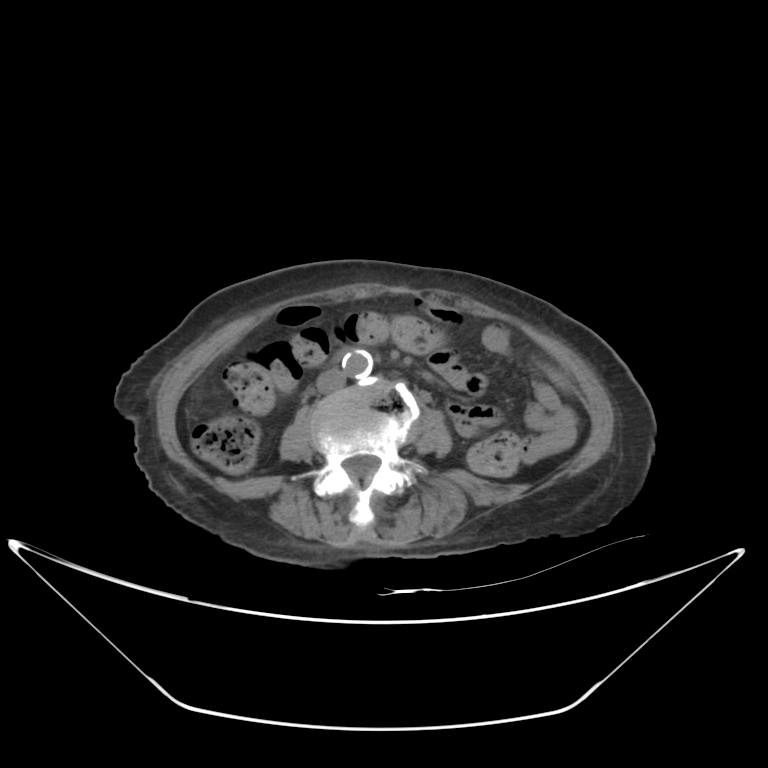
Computed tomography, abdomen; axial view; W/L 400/40 HU; 768x768 px
One row per box, in pixels: columns x1 and y1 give the top-left corner, x2 and y2 the bottom-right.
| organ | x1 | y1 | x2 | y2 |
|---|---|---|---|---|
| aorta | 341 | 349 | 372 | 377 |
| inferior vena cava | 316 | 369 | 346 | 393 |